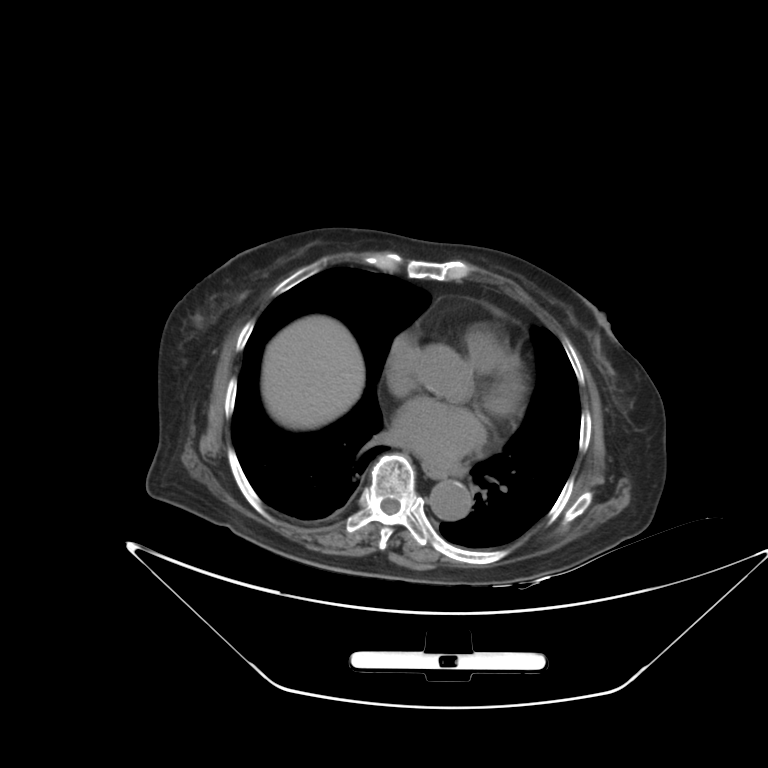

CT, abdomen/pelvis — axial plane, index 95 — 768x768 px — 80-year-old female patient
<organs><organ name="esophagus" x1="423" y1="463" x2="448" y2="480"/><organ name="liver" x1="261" y1="315" x2="364" y2="429"/><organ name="aorta" x1="429" y1="480" x2="472" y2="520"/></organs>